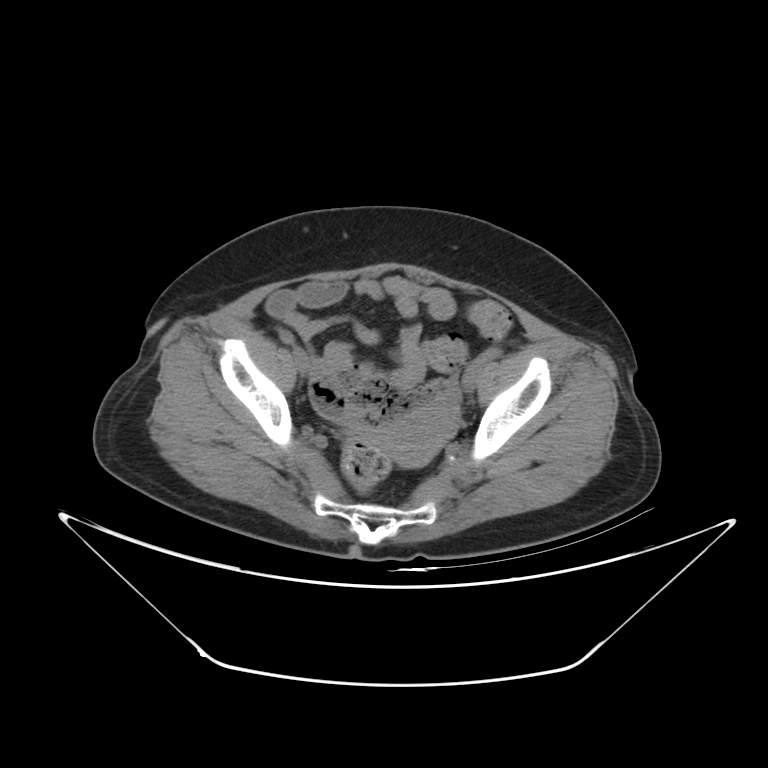
CT abdomen · Axial slice 23/93 · abdomen soft-tissue window · 768x768 px · 66-year-old female patient · acquired on Brilliance16
Boxes: x1:y1:x2:y2 in pixels.
Organ bounding boxes:
- prostate/uterus: 382:407:453:467